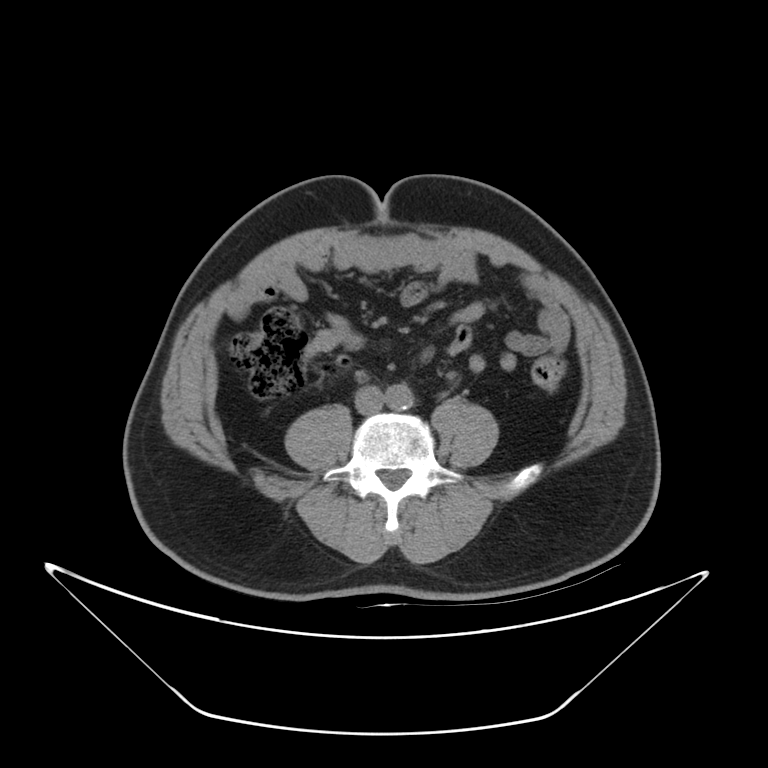 CT, abdomen/pelvis. Axial slice 43/82. soft-tissue window. 768x768 px. 55-year-old male patient
Boxes are (x1, y1, x2, y2) in pixels.
Organ bounding boxes:
- aorta: (384, 384, 413, 409)
- inferior vena cava: (354, 385, 383, 414)